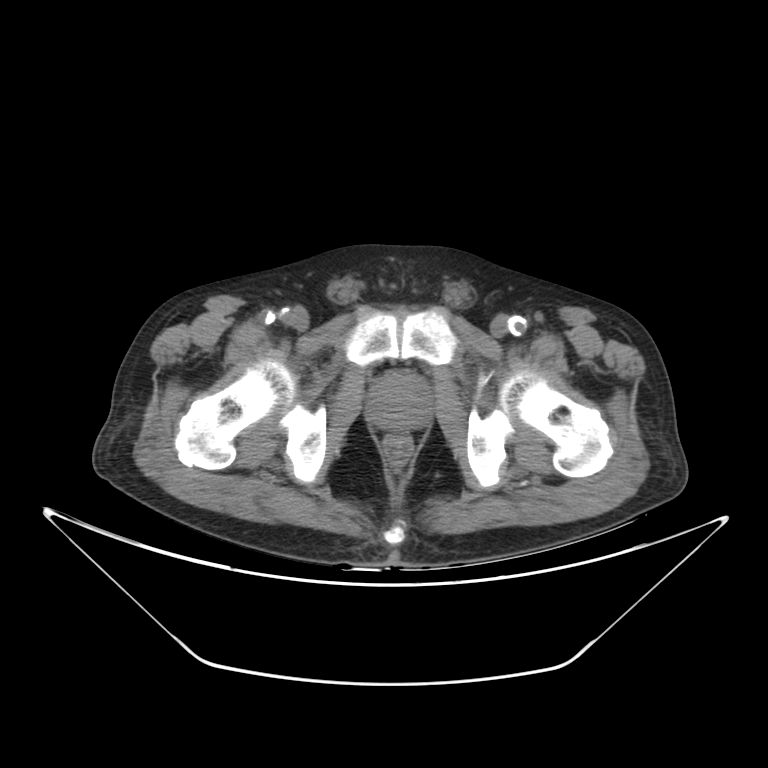 Computed tomography, abdomen. axial plane, index 11. 768x768 px. 59-year-old male patient
<organs><organ name="prostate/uterus" x1="368" y1="372" x2="430" y2="429"/></organs>